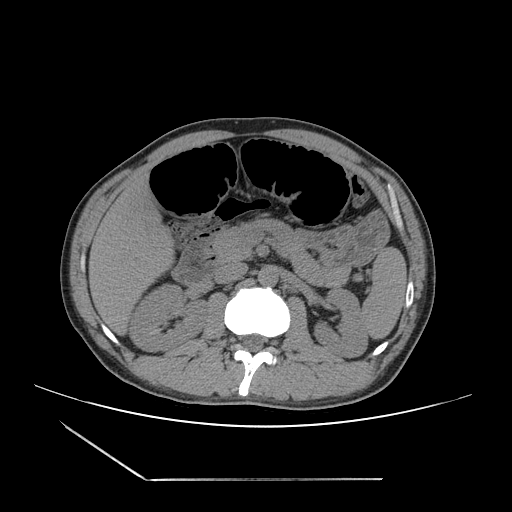
CT, abdomen/pelvis · axial plane, index 120 · 15 organs annotated in this scan (that count is for the whole scan; organs this slice misses have no box)
Each box given as x1,y1,x2,y2.
spleen: x1=362, y1=247, x2=406, y2=338
right kidney: x1=127, y1=284, x2=206, y2=351
left kidney: x1=313, y1=288, x2=367, y2=357
liver: x1=89, y1=176, x2=175, y2=333
stomach: x1=295, y1=212, x2=389, y2=264
aorta: x1=257, y1=266, x2=277, y2=286
inferior vena cava: x1=215, y1=263, x2=247, y2=284
pancreas: x1=209, y1=218, x2=350, y2=285
duodenum: x1=172, y1=242, x2=222, y2=285